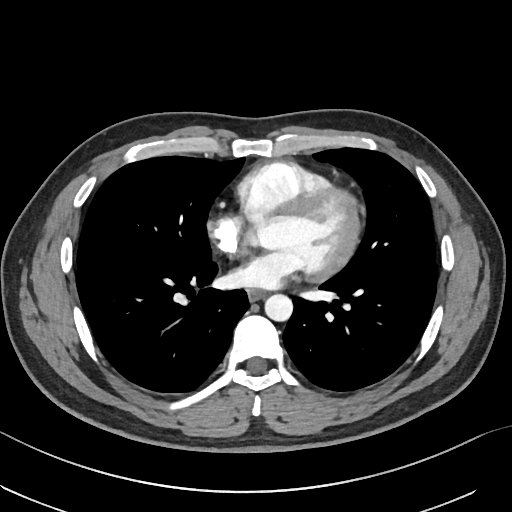
Lower-chest slice from an abdominal CT, just above the liver and spleen — axial plane, index 224 — soft-tissue window
No part of the heart or lungs is labeled in this dataset, so neither has a box here. Each box given as x1,y1,x2,y2. The annotated organs in this slice are: esophagus at x1=247, y1=289, x2=265, y2=300, aorta at x1=264, y1=293, x2=292, y2=320.